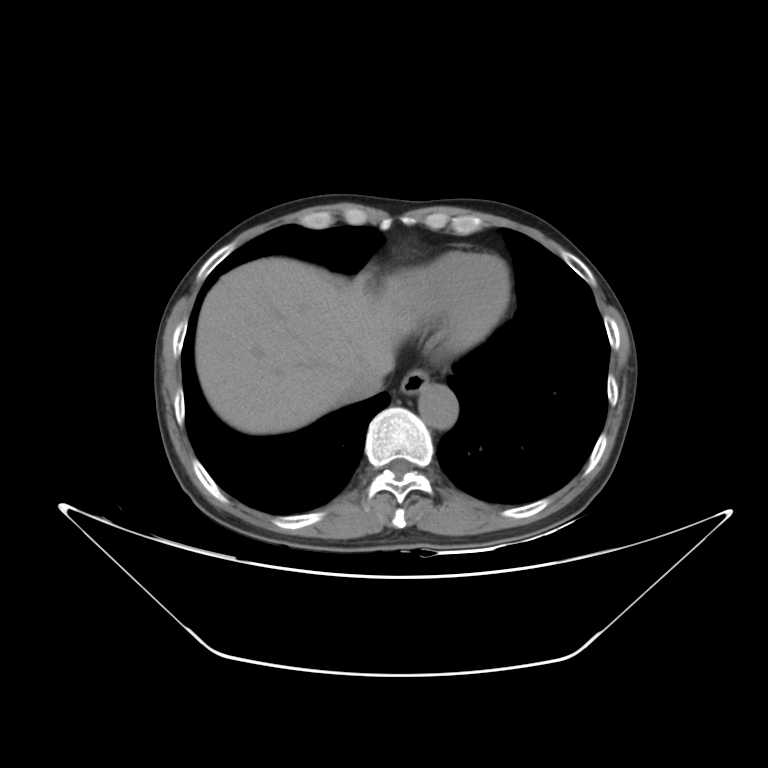
Computed tomography, abdomen; Axial slice 88/100; W/L 400/40 HU; 768x768 px; 52-year-old male patient
Organ boxes in pixel coordinates; each row gives the top-left (x1, y1) and bottom-right (x2, y2) corners.
| organ | x1 | y1 | x2 | y2 |
|---|---|---|---|---|
| inferior vena cava | 338 | 366 | 385 | 403 |
| aorta | 418 | 384 | 458 | 429 |
| liver | 195 | 257 | 416 | 433 |
| esophagus | 400 | 369 | 429 | 394 |